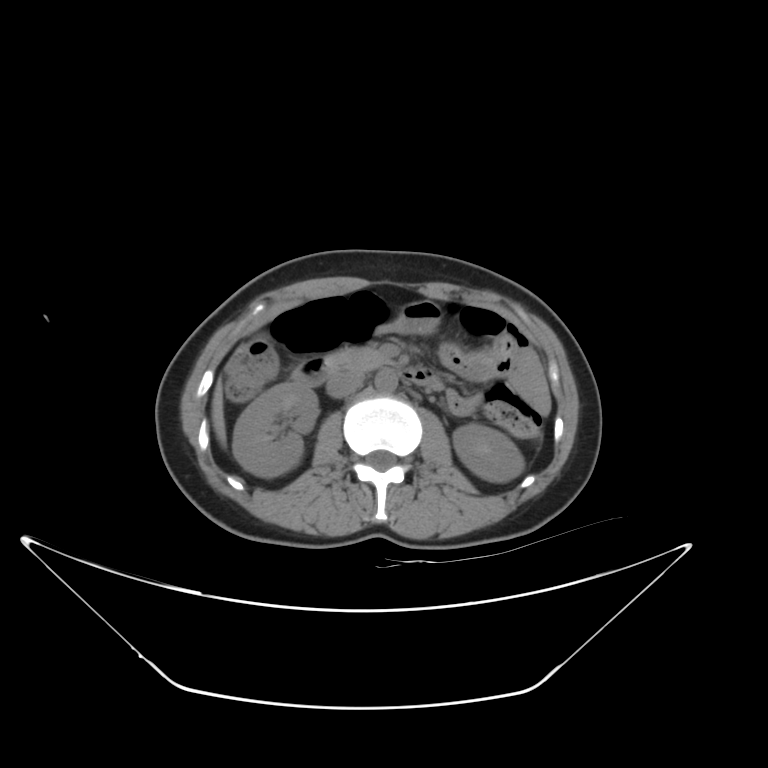
CT, abdomen/pelvis — axial view — abdomen soft-tissue window — 43-year-old female patient — acquired on Brilliance16
Organ boxes in pixel coordinates; each row gives the top-left (x1, y1) and bottom-right (x2, y2) corners.
| organ | x1 | y1 | x2 | y2 |
|---|---|---|---|---|
| pancreas | 325 | 347 | 389 | 372 |
| liver | 212 | 379 | 226 | 444 |
| right kidney | 232 | 381 | 318 | 476 |
| inferior vena cava | 326 | 371 | 364 | 397 |
| left kidney | 453 | 423 | 524 | 481 |
| duodenum | 295 | 359 | 442 | 391 |
| aorta | 374 | 369 | 397 | 393 |